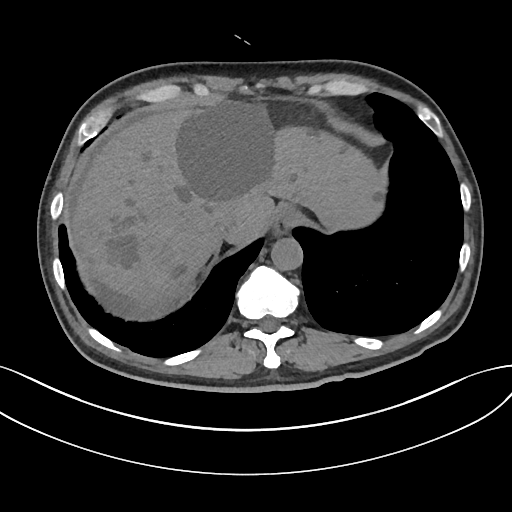

CT abdomen. axial plane, index 184. abdomen soft-tissue window. 512x512 px. SOMATOM Force scanner
Bounding boxes in pixels, one row per box: x1, y1 is the top-left corner and x2, y2 the bottom-right.
| organ | x1 | y1 | x2 | y2 |
|---|---|---|---|---|
| esophagus | 273 | 207 | 297 | 236 |
| liver | 73 | 104 | 387 | 303 |
| aorta | 271 | 238 | 302 | 270 |
| inferior vena cava | 216 | 208 | 246 | 236 |